CT abdomen · axial plane, index 43 · 512x512 px
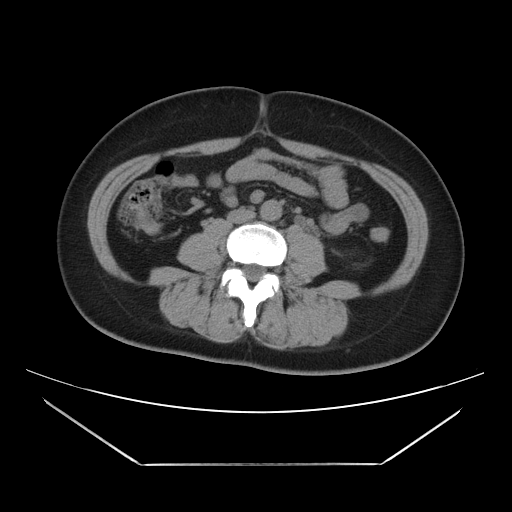

Bounding boxes in pixels, one row per box: x1, y1 is the top-left corner and x2, y2 the bottom-right.
| organ | x1 | y1 | x2 | y2 |
|---|---|---|---|---|
| aorta | 260 | 199 | 281 | 220 |
| inferior vena cava | 227 | 209 | 255 | 223 |